CT, abdomen/pelvis; axial plane, index 83; soft-tissue window (W 400 / L 40)
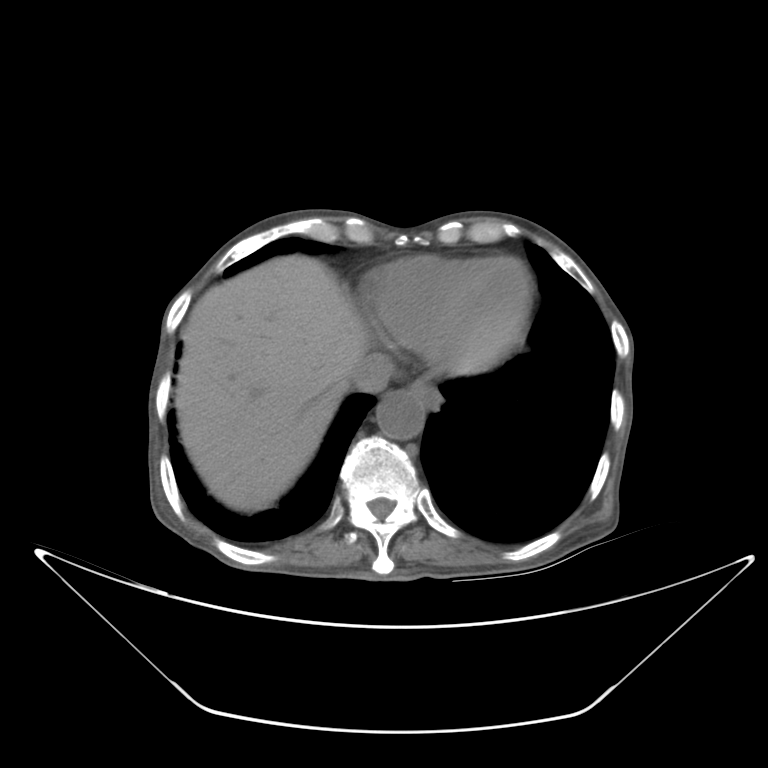

Boxes are (x1, y1, x2, y2) in pixels. 4 labeled organs on this slice — aorta at (376, 390, 424, 439); inferior vena cava at (349, 352, 394, 392); liver at (176, 256, 366, 509); esophagus at (410, 384, 441, 406).